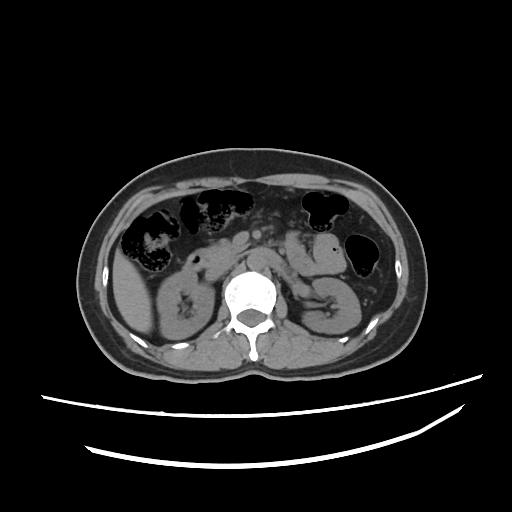
CT, abdomen/pelvis; axial plane, index 66; acquired on Aquilion ONE
Organ boxes in pixel coordinates; each row gives the top-left (x1, y1) and bottom-right (x2, y2) corners.
| organ | x1 | y1 | x2 | y2 |
|---|---|---|---|---|
| left kidney | 304 | 278 | 360 | 332 |
| pancreas | 204 | 243 | 246 | 262 |
| inferior vena cava | 207 | 254 | 238 | 277 |
| right kidney | 157 | 271 | 213 | 338 |
| duodenum | 183 | 251 | 211 | 271 |
| aorta | 243 | 250 | 265 | 270 |
| liver | 113 | 248 | 152 | 331 |